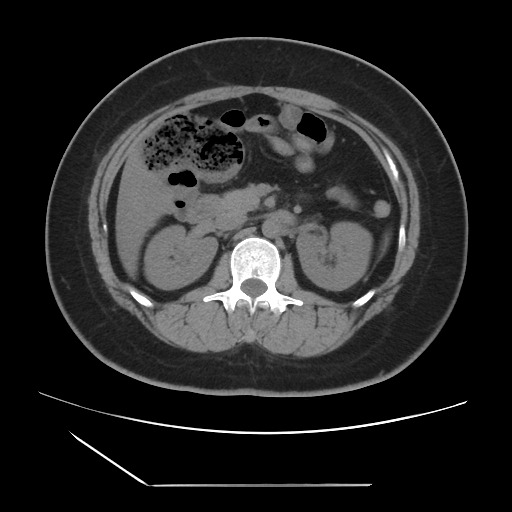
Computed tomography, abdomen — Axial slice 57/88 — acquired on SOMATOM Force
{"organs":{"right kidney":[144,225,217,289],"left kidney":[296,222,372,290],"liver":[115,148,173,277],"aorta":[262,219,281,237],"inferior vena cava":[214,212,246,230],"pancreas":[217,187,259,212],"duodenum":[184,196,219,223]}}